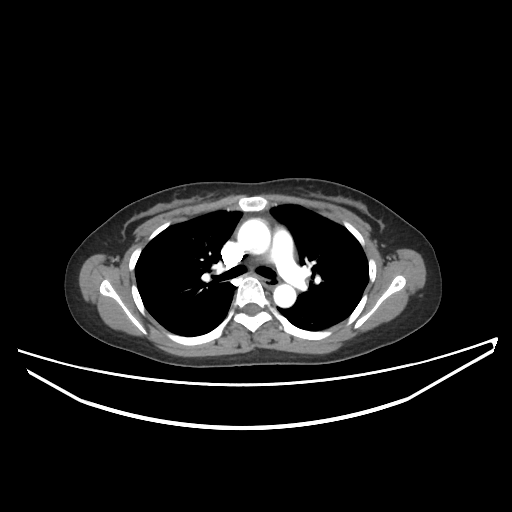 Chest-level CT slice, above the liver and spleen; axial view; 37-year-old female patient
At this level of the chest no structure but the esophagus and the aorta has a label in this dataset, and those two are boxed only where they are labeled.
{"organs":{"esophagus":[262,280,276,288],"aorta":[[237,218,270,254],[273,284,296,307]]}}